CT abdomen. axial plane, index 58. abdomen soft-tissue window. 512x512 px. 58-year-old male patient
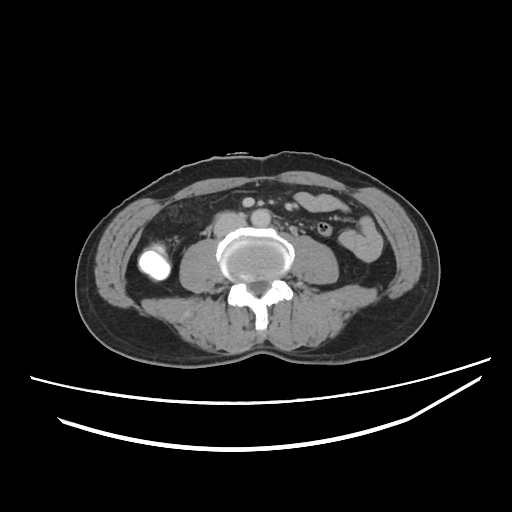

Boxes: x1:y1:x2:y2 in pixels.
Organ bounding boxes:
- aorta: 251:209:271:228
- inferior vena cava: 214:213:245:236